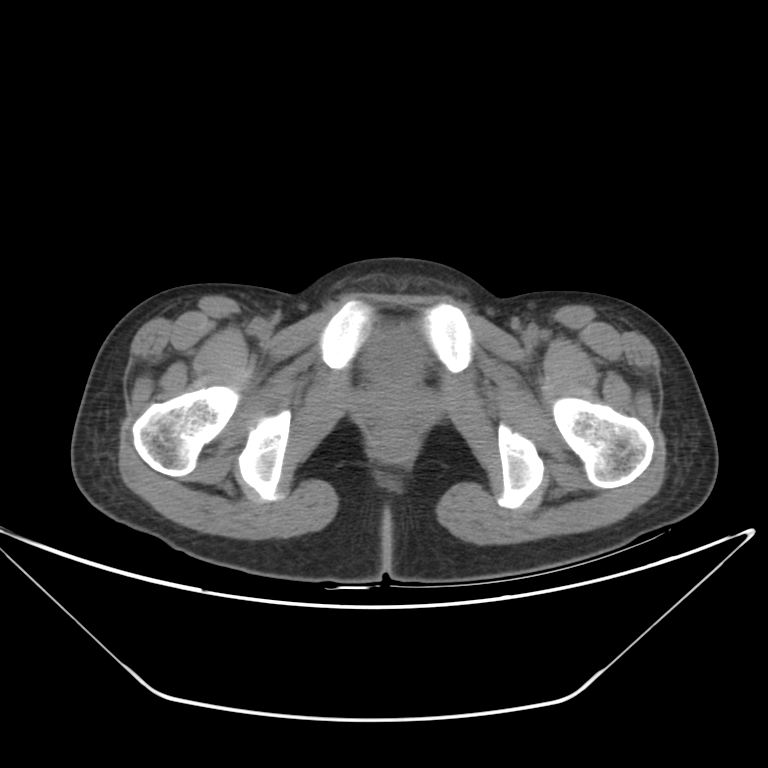
Computed tomography, abdomen — axial plane, index 11 — soft-tissue window — 32-year-old female patient — Brilliance16 scanner — 15 organs annotated in this scan (counted over the whole 3D scan, not this slice; an organ is boxed only where this slice passes through it)
<organs><organ name="bladder" x1="364" y1="327" x2="425" y2="385"/></organs>